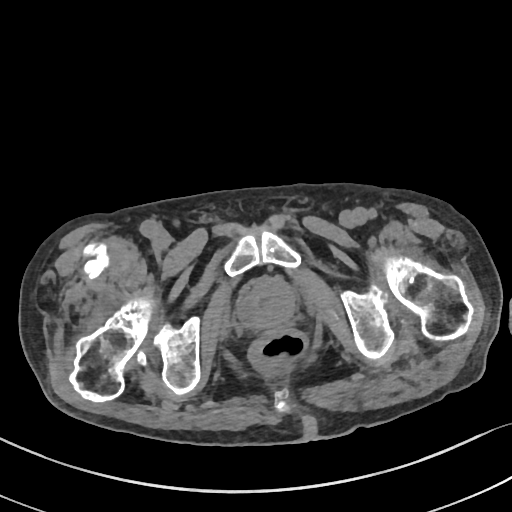
Computed tomography, abdomen. axial plane, index 13. 512x512 px
Box edges are left/top/right/bottom in pixels.
Organ bounding boxes:
- prostate/uterus: left=239, top=278, right=295, bottom=329